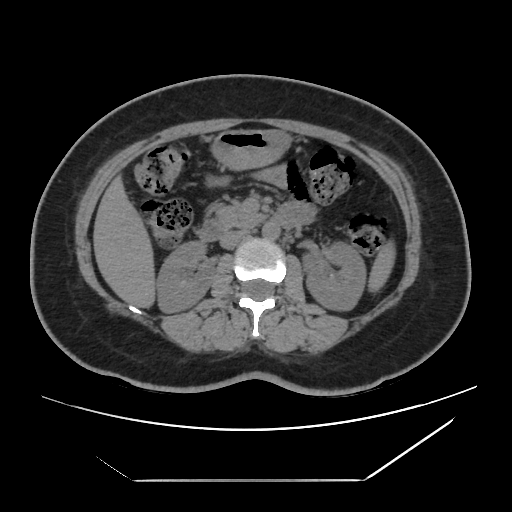
Computed tomography, abdomen — axial plane, index 207 — abdomen soft-tissue window
Bounding boxes as [x1, y1, x2, y2] in pixel coordinates. The annotated organs in this slice are: spleen at [369, 244, 393, 289], right kidney at [156, 240, 213, 312], left kidney at [304, 241, 366, 310], liver at [93, 178, 155, 307], stomach at [212, 130, 288, 168], aorta at [262, 221, 280, 239], inferior vena cava at [219, 229, 249, 249], pancreas at [215, 202, 262, 228], duodenum at [199, 204, 303, 241].